Abdominal CT · Axial slice 78/95 · soft-tissue window (W 400 / L 40) · 64-year-old male patient
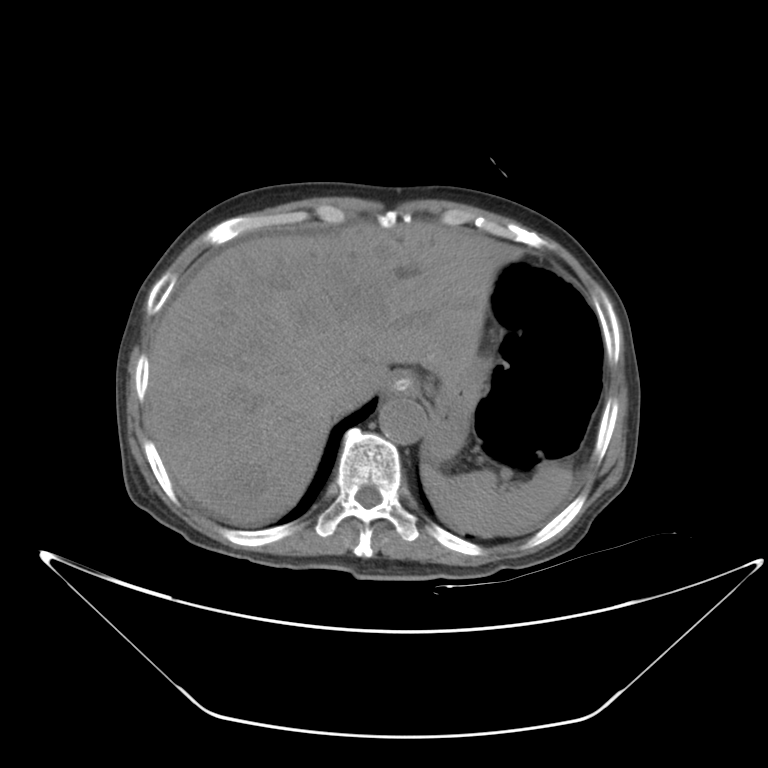
Boxes: x1:y1:x2:y2 in pixels. Labeled organs on this slice: stomach at 419:359:490:464, spleen at 420:462:573:536, esophagus at 388:372:419:395, liver at 148:220:520:525, inferior vena cava at 332:390:361:419, aorta at 379:396:426:444.